CT, abdomen/pelvis. axial view. abdomen soft-tissue window
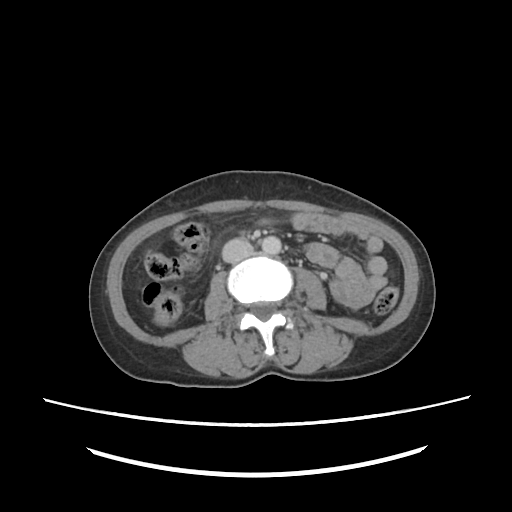
Boxes: x1:y1:x2:y2 in pixels. Labeled organs on this slice: aorta at 262:236:281:254, inferior vena cava at 222:238:254:262.